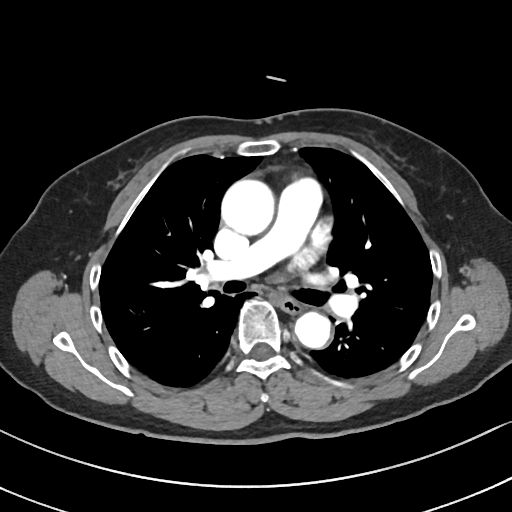
Abdominal CT reaching into the chest; this slice is in the chest; Axial slice 239/294
At this level of the chest no structure but the esophagus and the aorta has a label in this dataset, and those two are boxed only where they are labeled. Box edges are left/top/right/bottom in pixels. 2 labeled organs on this slice — esophagus at left=280, top=300, right=304, bottom=314; aorta at left=221, top=179, right=274, bottom=235; aorta at left=294, top=312, right=330, bottom=348.